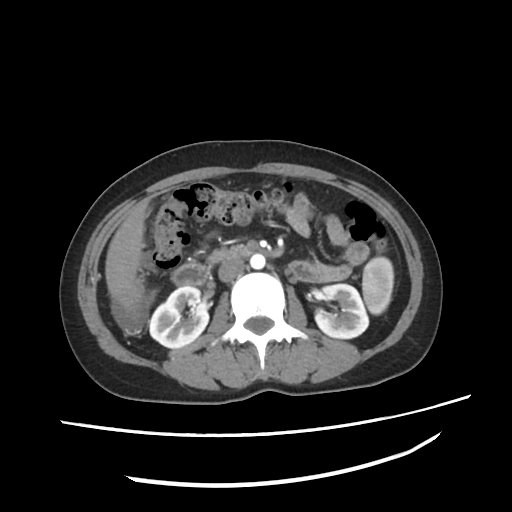

Computed tomography, abdomen; axial view; soft-tissue window; 47-year-old female patient
{"organs":{"liver":[105,200,148,304],"pancreas":[208,250,227,266],"duodenum":[173,246,249,286],"left kidney":[314,284,369,339],"inferior vena cava":[218,257,244,281],"right kidney":[149,286,208,346],"spleen":[362,257,394,314],"aorta":[250,254,264,268]}}